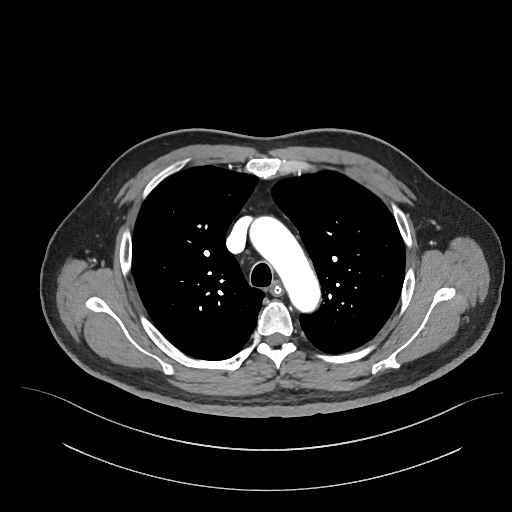 CT of the abdomen extending into the chest, slice through the chest. axial view
On a slice this high in the chest, this dataset labels only the esophagus and the aorta, and each is boxed only where it is labeled; the heart, lungs and other chest structures are not labeled.
Organ boxes in pixel coordinates; each row gives the top-left (x1, y1) and bottom-right (x2, y2) corners.
| organ | x1 | y1 | x2 | y2 |
|---|---|---|---|---|
| esophagus | 271 | 283 | 281 | 293 |
| aorta | 250 | 217 | 320 | 312 |